CT, abdomen/pelvis; axial view
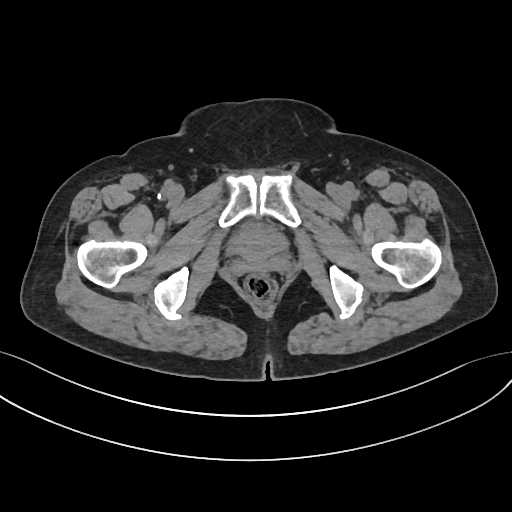
One row per box, in pixels: columns x1 and y1 give the top-left corner, x2 and y2 the bottom-right.
| organ | x1 | y1 | x2 | y2 |
|---|---|---|---|---|
| bladder | 226 | 222 | 287 | 254 |